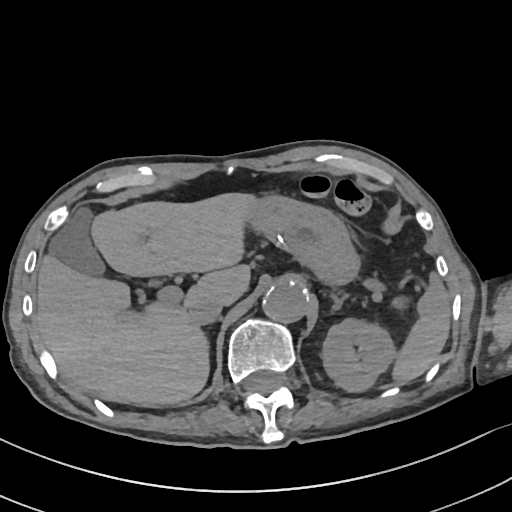

Computed tomography, abdomen — axial view — acquired on SOMATOM Force
{"organs":{"spleen":[392,272,449,384],"left kidney":[322,318,396,392],"gall bladder":[49,207,105,276],"liver":[37,192,256,405],"stomach":[246,195,360,284],"aorta":[263,281,307,322],"inferior vena cava":[189,295,223,325],"left adrenal gland":[331,294,345,310]}}